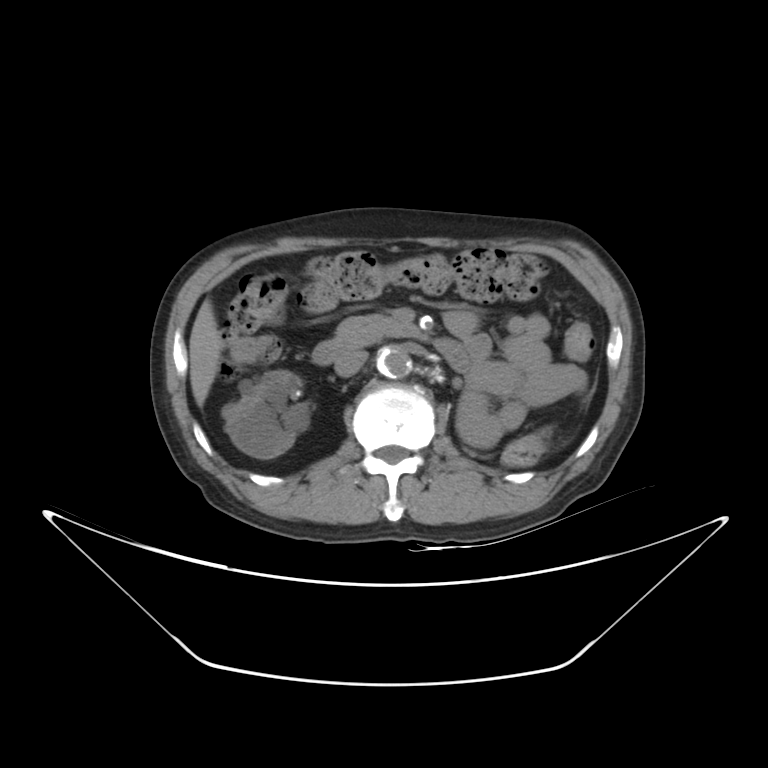
CT abdomen · Axial slice 68/94 · 59-year-old male patient · Brilliance16 scanner · 14 organs annotated in this scan (that count is for the whole scan; organs this slice misses have no box)
Box edges are left/top/right/bottom in pixels. 6 labeled organs on this slice — aorta at left=377, top=346, right=412, bottom=378; liver at left=189, top=300, right=223, bottom=407; duodenum at left=311, top=340, right=469, bottom=371; pancreas at left=334, top=314, right=418, bottom=346; inferior vena cava at left=334, top=350, right=367, bottom=376; right kidney at left=223, top=369, right=309, bottom=458.